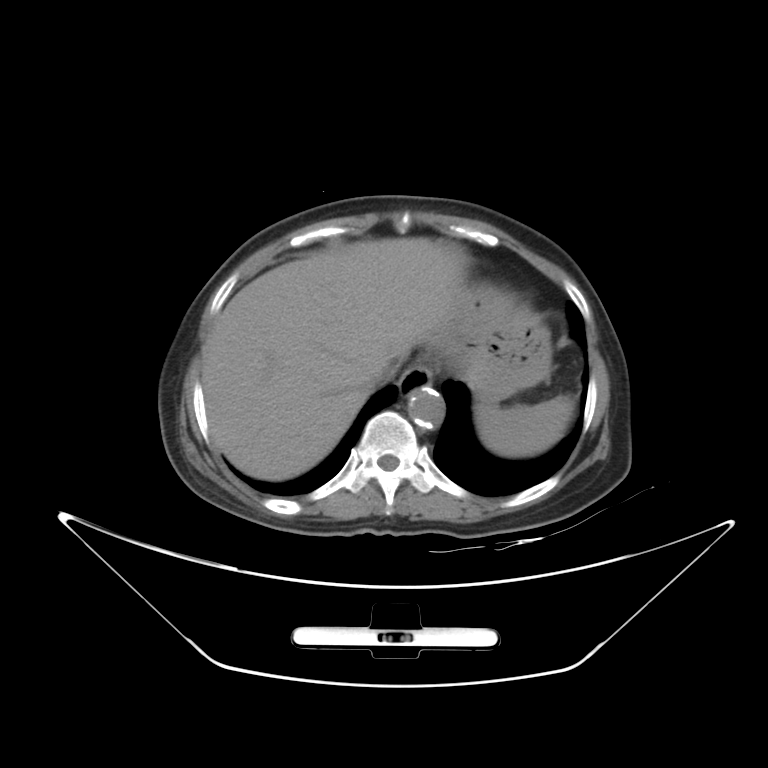 CT, abdomen/pelvis. axial plane, index 77. W/L 400/40 HU. 768x768 px. 66-year-old female patient
Each box given as x1,y1,x2,y2. 6 labeled organs on this slice — aorta at x1=407, y1=387, x2=445, y2=428; spleen at x1=475, y1=395, x2=574, y2=457; inferior vena cava at x1=362, y1=361, x2=399, y2=389; esophagus at x1=399, y1=364, x2=433, y2=395; liver at x1=203, y1=237, x2=469, y2=480; stomach at x1=442, y1=286, x2=551, y2=404.